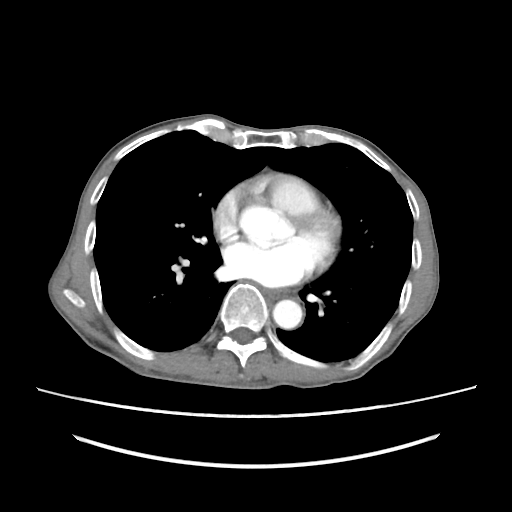 CT of the abdomen extending into the chest, slice through the chest · axial view · 512x512 px
At this level of the chest no structure but the esophagus and the aorta has a label in this dataset, and those two are boxed only where they are labeled.
<organs><organ name="esophagus" x1="264" y1="289" x2="288" y2="298"/><organ name="aorta" x1="272" y1="299" x2="302" y2="328"/></organs>